MRI, abdomen. coronal view. 1st–99th percentile window. acquired on Prisma
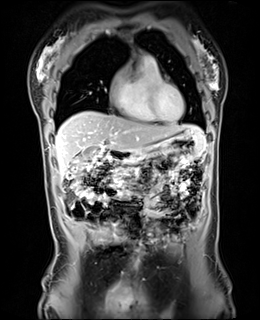
Boxes are (x1, y1, x2, y2) in pixels.
Organ bounding boxes:
- gall bladder: (82, 147, 101, 159)
- liver: (55, 111, 204, 179)
- stomach: (121, 128, 204, 164)
- duodenum: (107, 150, 127, 162)